Computed tomography, abdomen; axial view; 15 organs annotated in this scan (counted over the whole 3D scan, not this slice; an organ is boxed only where this slice passes through it)
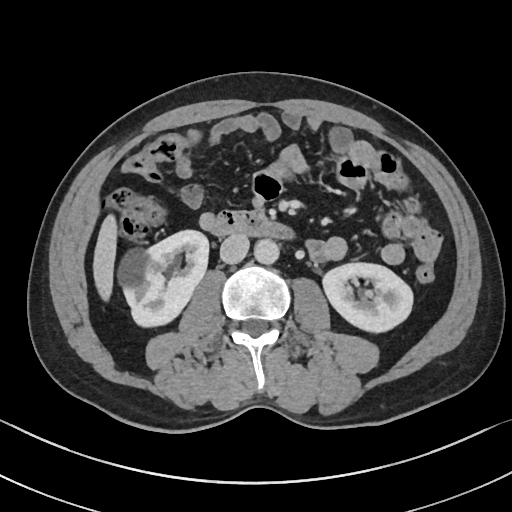
Bounding boxes in pixels, one row per box: x1, y1 is the top-left corner and x2, y2 the bottom-right.
| organ | x1 | y1 | x2 | y2 |
|---|---|---|---|---|
| right kidney | 116 | 231 | 208 | 328 |
| left kidney | 324 | 264 | 412 | 334 |
| liver | 93 | 213 | 117 | 300 |
| aorta | 255 | 240 | 279 | 265 |
| inferior vena cava | 220 | 234 | 249 | 263 |
| duodenum | 210 | 210 | 295 | 241 |